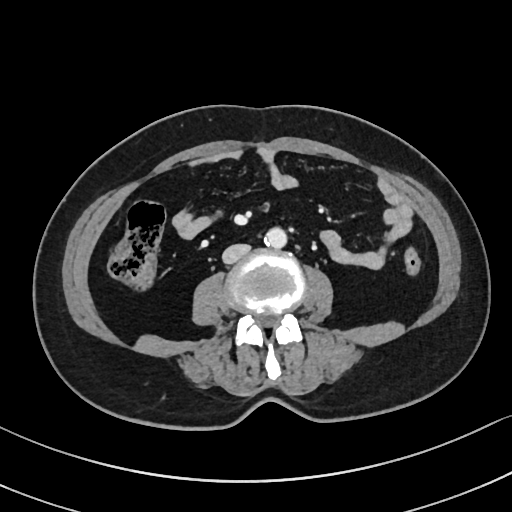
CT abdomen. Axial slice 115/314. 14 organs annotated in this scan (that count is for the whole scan; organs this slice misses have no box)
Bounding boxes as [x1, y1, x2, y2] in pixel coordinates.
Organ bounding boxes:
- aorta: [264, 228, 286, 247]
- inferior vena cava: [222, 244, 250, 263]